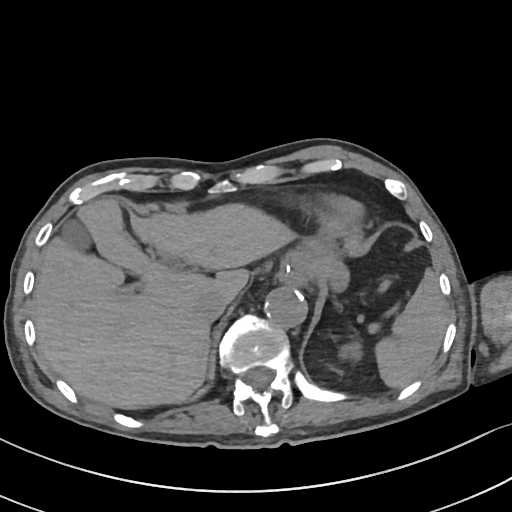
Computed tomography, abdomen · axial plane, index 167
{"organs":{"liver":[33,198,293,409],"gall bladder":[58,216,93,255],"inferior vena cava":[194,294,228,321],"stomach":[278,243,348,290],"aorta":[264,286,307,327],"spleen":[378,272,448,388],"left kidney":[342,342,362,363]}}